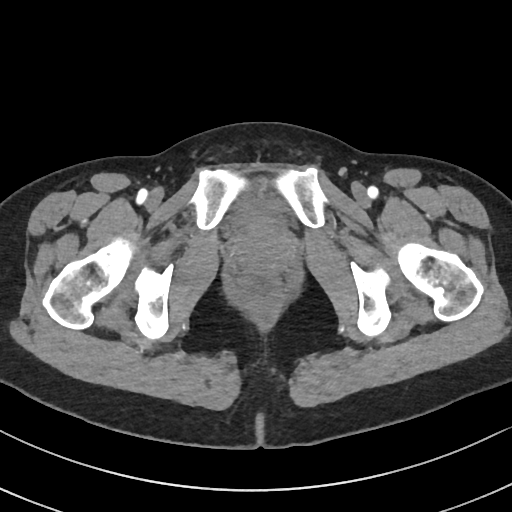

CT, abdomen/pelvis. Axial slice 40/242. W/L 400/40 HU
<organs><organ name="bladder" x1="236" y1="197" x2="283" y2="221"/></organs>